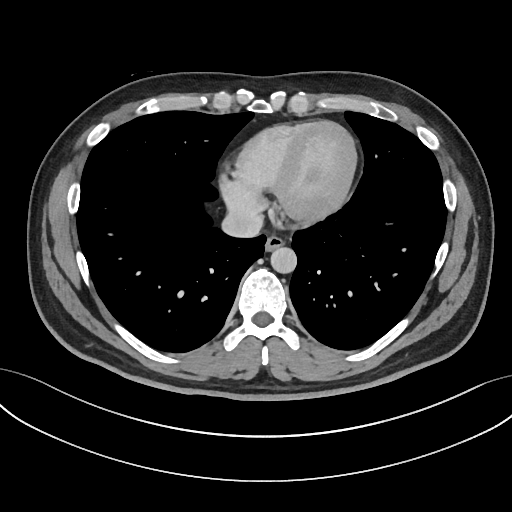 Lower-chest slice from an abdominal CT, just above the liver and spleen. axial view. W/L 400/40 HU. 512x512 px
The heart and lungs are never labeled in this dataset, so they have no box on this slice.
<organs><organ name="esophagus" x1="264" y1="235" x2="284" y2="251"/><organ name="aorta" x1="270" y1="247" x2="297" y2="273"/><organ name="inferior vena cava" x1="221" y1="210" x2="262" y2="237"/></organs>